Computed tomography, abdomen. axial view. 31-year-old male patient. Aquilion ONE scanner
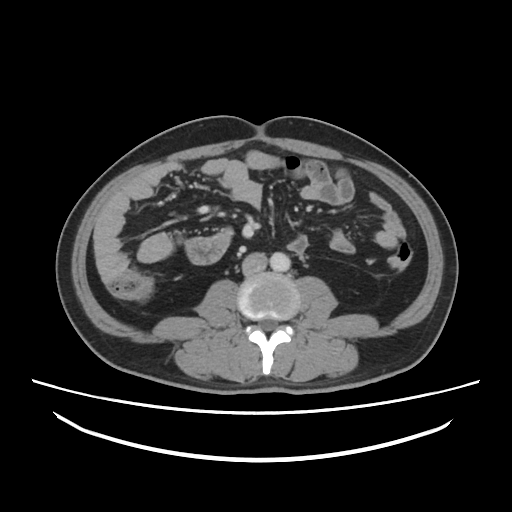

One row per box, in pixels: columns x1 and y1 give the top-left corner, x2 and y2 the bottom-right.
| organ | x1 | y1 | x2 | y2 |
|---|---|---|---|---|
| aorta | 270 | 252 | 290 | 271 |
| inferior vena cava | 242 | 252 | 266 | 275 |